Abdominal CT. axial view. abdomen soft-tissue window
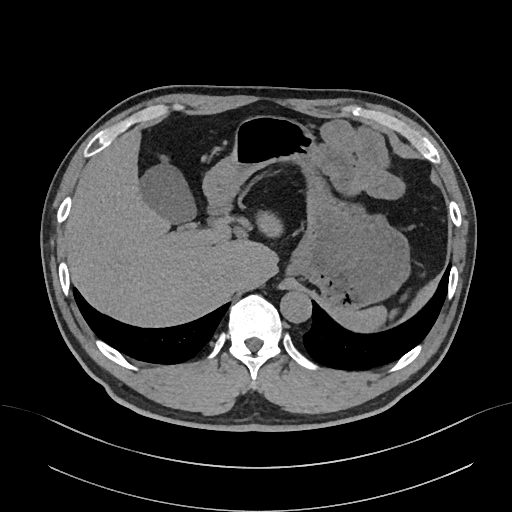 {"organs":{"spleen":[336,305,386,331],"gall bladder":[139,163,196,223],"liver":[64,129,283,325],"stomach":[203,115,410,312],"aorta":[280,291,311,323],"inferior vena cava":[227,264,245,283],"duodenum":[209,203,231,214]}}